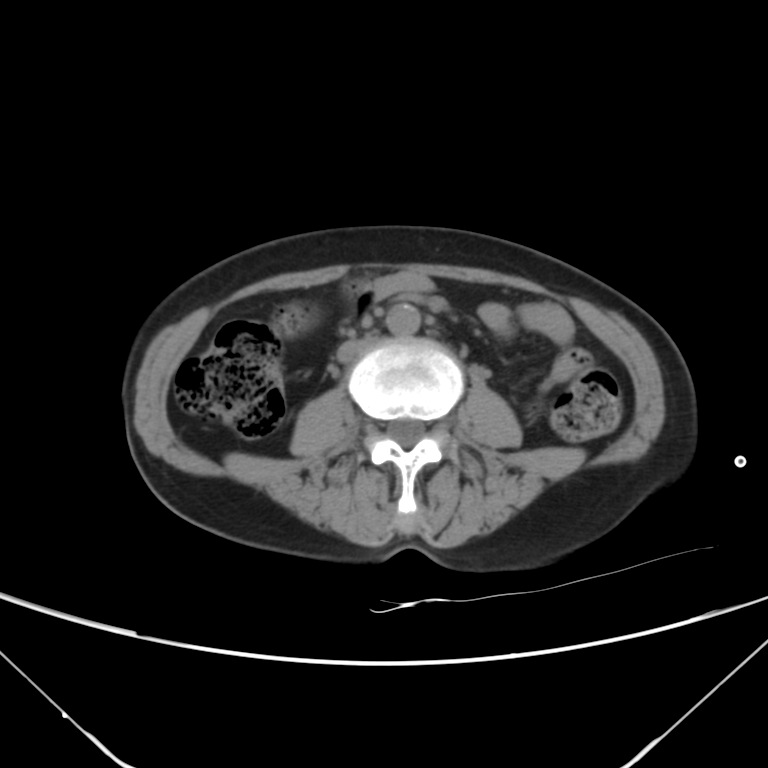 Computed tomography, abdomen; axial view; soft-tissue window
One row per box, in pixels: columns x1 and y1 give the top-left corner, x2 and y2 the bottom-right.
| organ | x1 | y1 | x2 | y2 |
|---|---|---|---|---|
| inferior vena cava | 337 | 333 | 378 | 361 |
| aorta | 386 | 304 | 420 | 334 |